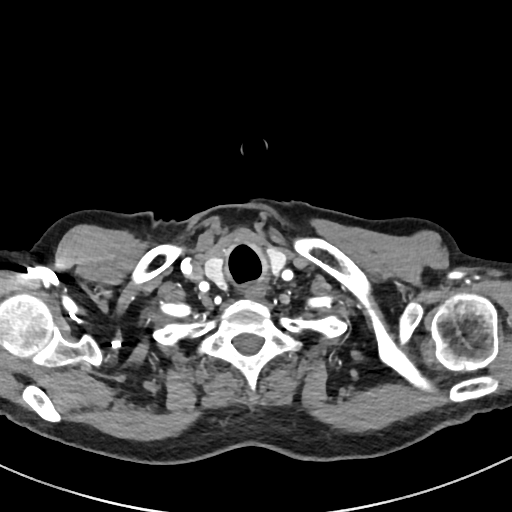 Chest-level slice from an abdominal CT that extends up into the chest — axial view — 512x512 px — acquired on SOMATOM Force
At this level of the chest no structure but the esophagus and the aorta has a label in this dataset, and those two are boxed only where they are labeled.
<organs><organ name="esophagus" x1="243" y1="284" x2="268" y2="300"/></organs>